Abdominal CT · axial view · soft-tissue window (W 400 / L 40) · 49-year-old male patient
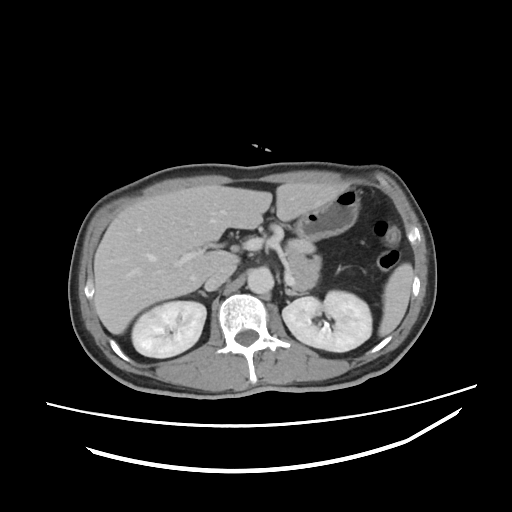

Organ boxes in pixel coordinates; each row gives the top-left (x1, y1) and bottom-right (x2, y2) corners.
| organ | x1 | y1 | x2 | y2 |
|---|---|---|---|---|
| spleen | 378 | 263 | 413 | 336 |
| right kidney | 131 | 301 | 206 | 357 |
| left kidney | 282 | 291 | 371 | 351 |
| liver | 94 | 182 | 344 | 334 |
| stomach | 295 | 188 | 359 | 241 |
| aorta | 247 | 268 | 273 | 294 |
| inferior vena cava | 205 | 263 | 235 | 290 |
| pancreas | 286 | 244 | 321 | 290 |
| right adrenal gland | 199 | 290 | 206 | 296 |
| left adrenal gland | 285 | 288 | 301 | 295 |